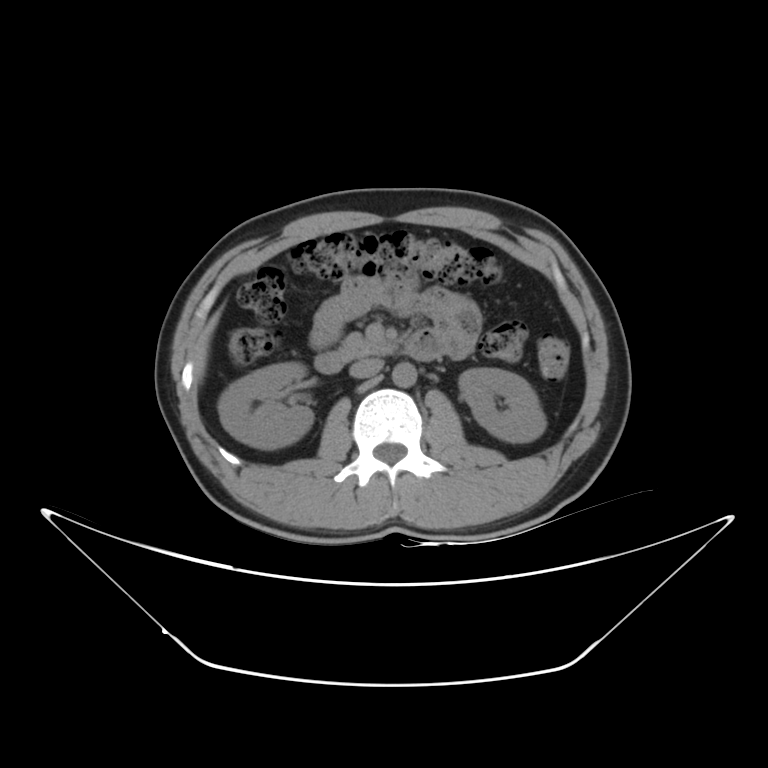 CT, abdomen/pelvis — axial view — 768x768 px — acquired on Brilliance16
Bounding boxes in pixels, one row per box: x1, y1 is the top-left corner and x2, y2 the bottom-right.
| organ | x1 | y1 | x2 | y2 |
|---|---|---|---|---|
| duodenum | 314 | 330 | 441 | 373 |
| aorta | 392 | 363 | 416 | 386 |
| liver | 194 | 307 | 223 | 377 |
| left kidney | 459 | 368 | 546 | 442 |
| inferior vena cava | 350 | 359 | 384 | 377 |
| right kidney | 217 | 361 | 313 | 449 |
| pancreas | 337 | 333 | 394 | 360 |